CT, abdomen/pelvis. Axial slice 42/100. W/L 400/40 HU
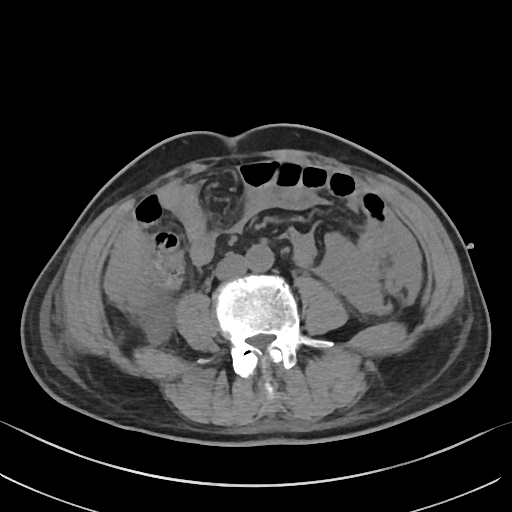

<organs><organ name="inferior vena cava" x1="215" y1="253" x2="247" y2="279"/><organ name="aorta" x1="245" y1="244" x2="274" y2="271"/></organs>